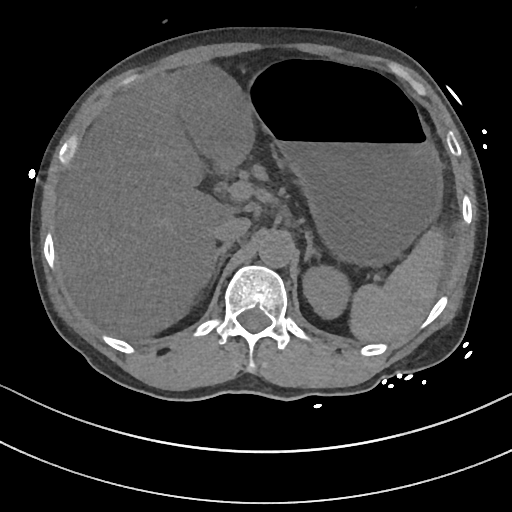
Abdominal CT · axial plane, index 181 · abdomen soft-tissue window
Bounding boxes in pixels, one row per box: x1, y1 is the top-left corner and x2, y2 the bottom-right.
| organ | x1 | y1 | x2 | y2 |
|---|---|---|---|---|
| spleen | 350 | 226 | 445 | 341 |
| left kidney | 302 | 264 | 348 | 320 |
| gall bladder | 179 | 67 | 253 | 175 |
| liver | 56 | 69 | 224 | 338 |
| stomach | 249 | 66 | 441 | 263 |
| aorta | 258 | 229 | 294 | 266 |
| inferior vena cava | 212 | 216 | 250 | 241 |
| right adrenal gland | 201 | 242 | 231 | 285 |
| left adrenal gland | 303 | 231 | 320 | 260 |